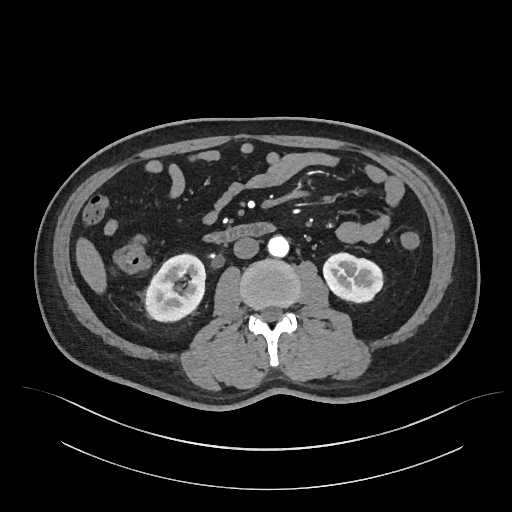
CT, abdomen/pelvis · axial view · W/L 400/40 HU · 512x512 px
{"organs":{"right kidney":[146,254,205,320],"left kidney":[324,253,380,301],"liver":[77,240,104,291],"aorta":[267,235,288,256],"inferior vena cava":[233,237,259,258],"duodenum":[206,223,273,243]}}